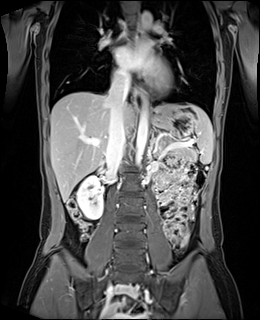

Abdominal MRI. coronal view. 1st–99th percentile window. 260x320 px. acquired on Prisma. scan has 13 labeled organs (a whole-scan count: organs this slice does not pass through have no box)
Boxes: x1:y1:x2:y2 in pixels.
Organ bounding boxes:
- spleen: 189:104:213:164
- right kidney: 77:171:103:219
- esophagus: 135:20:142:37
- esophagus: 139:90:146:106
- liver: 50:92:189:201
- stomach: 151:109:194:136
- aorta: 135:109:147:165
- aorta: 141:11:152:28
- inferior vena cava: 106:76:129:172
- pancreas: 174:149:191:152
- left adrenal gland: 151:131:155:146